CT abdomen — Axial slice 41/83 — Brilliance16 scanner
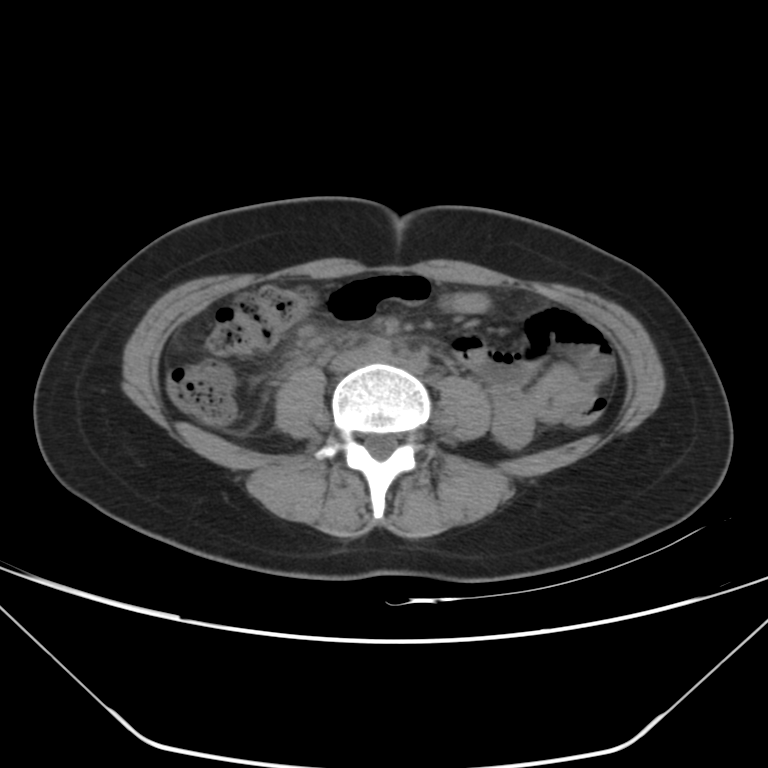 {"organs":{"inferior vena cava":[330,350,368,371]}}